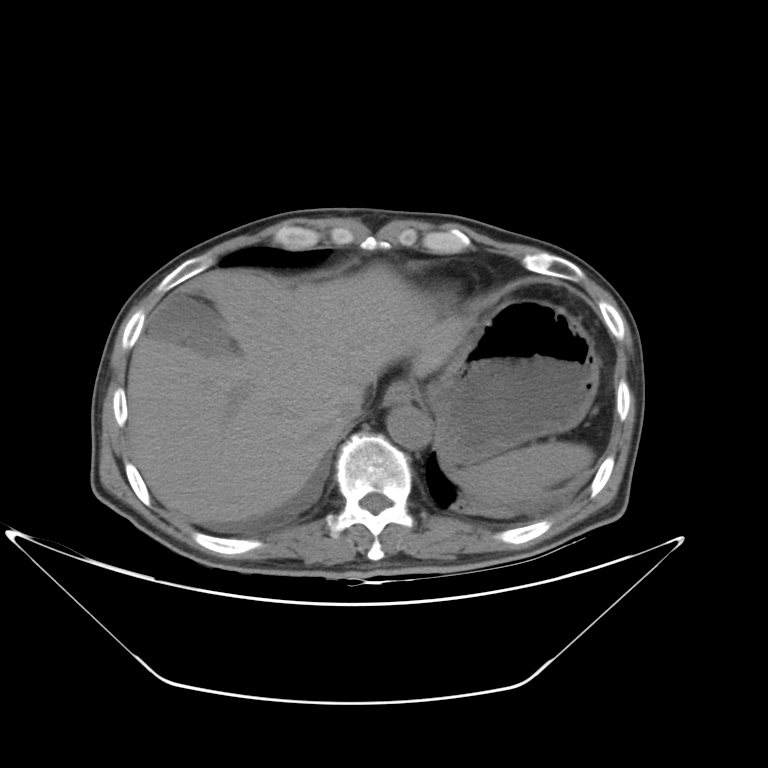 CT abdomen · axial plane, index 85 · scan has 15 labeled organs (a whole-scan count: organs this slice does not pass through have no box)
Bounding boxes as [x1, y1, x2, y2] in pixel coordinates. Labeled organs on this slice: spleen at [449, 440, 594, 504], gall bladder at [147, 294, 236, 356], esophagus at [383, 381, 412, 406], liver at [127, 263, 468, 525], stomach at [422, 300, 599, 466], aorta at [387, 406, 430, 449], inferior vena cava at [336, 385, 365, 425].